CT abdomen; axial view; scan has 15 labeled organs (a whole-scan count: organs this slice does not pass through have no box)
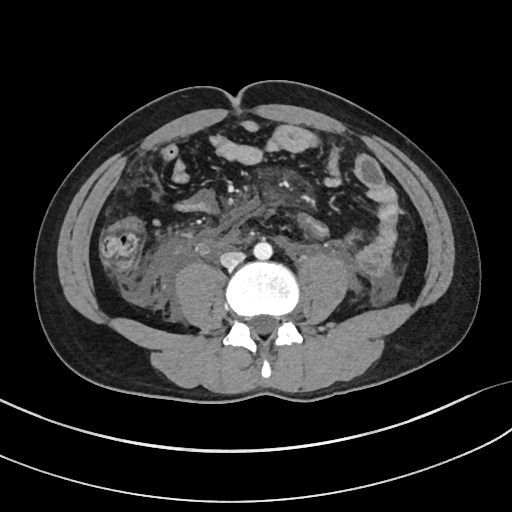
Bounding boxes as [x1, y1, x2, y2] in pixel coordinates. The annotated organs in this slice are: aorta at [253, 241, 272, 260], inferior vena cava at [220, 250, 245, 267].